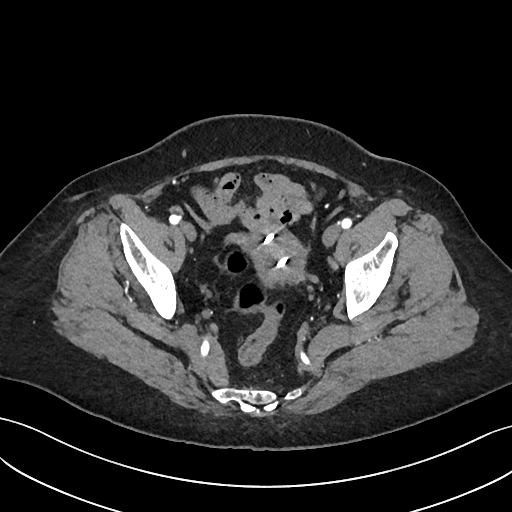 CT abdomen · axial view · 512x512 px
{"organs":{"prostate/uterus":[252,232,305,281]}}